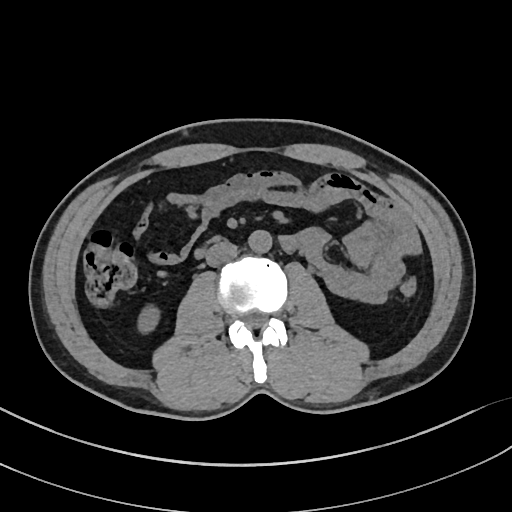 Abdominal CT · axial plane, index 132 · abdomen soft-tissue window · SOMATOM Force scanner · 15 organs annotated in this scan (that count is for the whole scan; organs this slice misses have no box)
Boxes: x1 y1 x2 y2 (pixel coords, space-separated). Labeled organs on this slice: right kidney at 139 308 157 331, inferior vena cava at 206 241 237 266, aorta at 248 229 271 253.